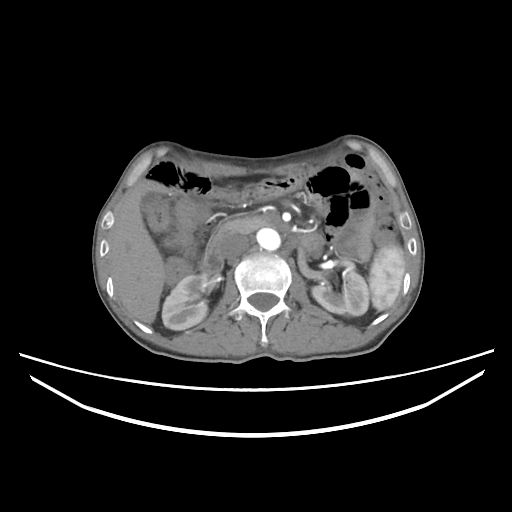

CT abdomen — axial view — soft-tissue window (W 400 / L 40) — acquired on Aquilion ONE — scan has 14 labeled organs (a whole-scan count: organs this slice does not pass through have no box)
Boxes: x1:y1:x2:y2 in pixels.
Organ bounding boxes:
- gall bladder: 141:191:165:213
- inferior vena cava: 219:232:249:259
- spleen: 368:244:405:311
- liver: 107:180:164:323
- left kidney: 312:261:368:315
- duodenum: 200:231:322:273
- right kidney: 162:274:213:330
- pancreas: 219:216:265:233
- aorta: 256:228:280:250